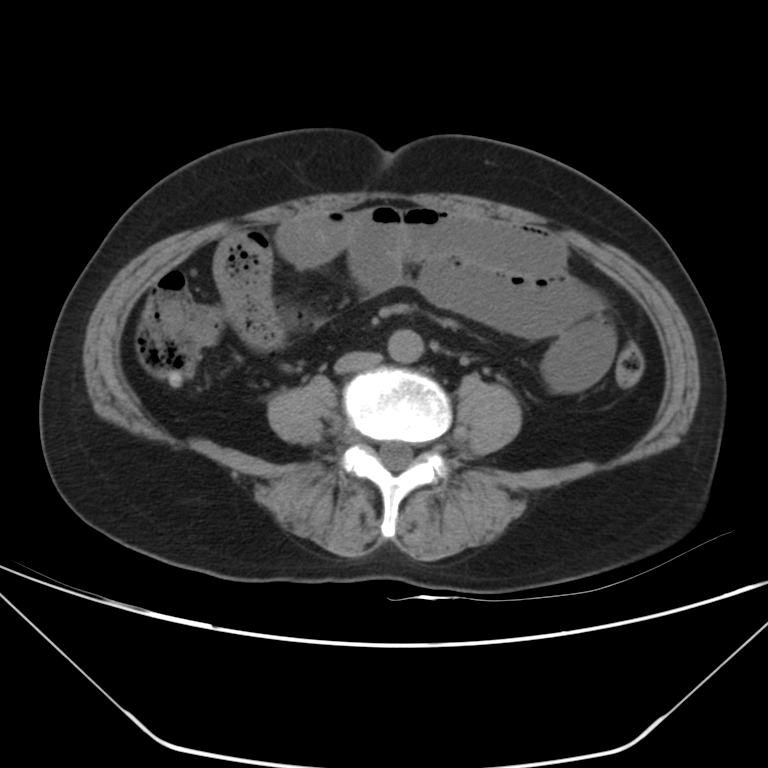 CT, abdomen/pelvis — axial view
<organs><organ name="aorta" x1="388" y1="329" x2="423" y2="362"/><organ name="inferior vena cava" x1="335" y1="352" x2="381" y2="372"/></organs>